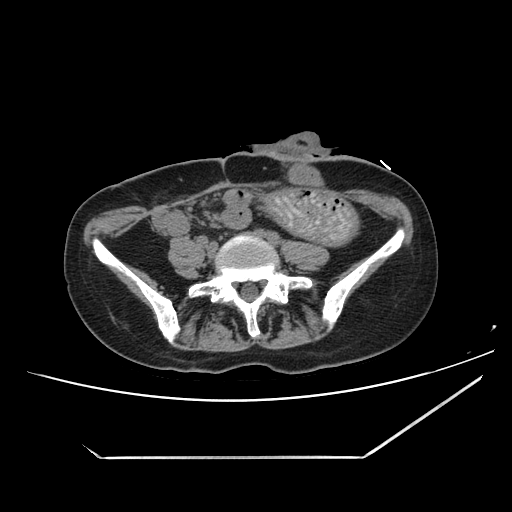 Computed tomography, abdomen · axial view · 512x512 px · scan has 14 labeled organs (that count is for the whole scan; organs this slice misses have no box)
Bounding boxes as [x1, y1, x2, y2] in pixel coordinates.
stomach: [266, 190, 358, 244]